CT abdomen. axial view. soft-tissue window (W 400 / L 40)
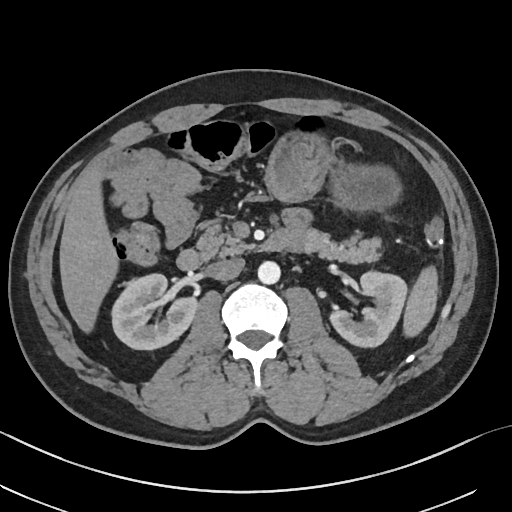 {"organs":{"spleen":[403,267,437,335],"right kidney":[110,273,196,349],"left kidney":[328,270,407,348],"liver":[60,168,118,332],"stomach":[266,134,398,210],"aorta":[257,260,280,284],"inferior vena cava":[209,257,245,281],"pancreas":[198,225,381,262],"duodenum":[177,229,295,269]}}